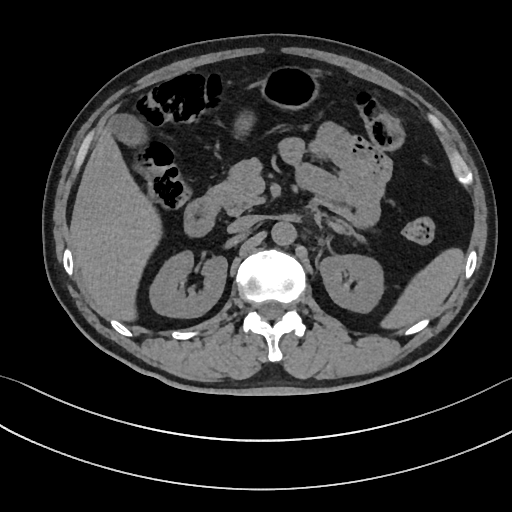 Computed tomography, abdomen · axial view
Bounding boxes as [x1, y1, x2, y2] in pixel coordinates. 10 labeled organs on this slice — spleen at [384, 250, 463, 327]; right kidney at [148, 252, 226, 316]; left kidney at [318, 253, 383, 312]; gall bladder at [109, 116, 142, 141]; liver at [71, 129, 162, 320]; stomach at [238, 68, 316, 131]; aorta at [271, 220, 296, 245]; inferior vena cava at [227, 215, 259, 233]; pancreas at [202, 159, 265, 215]; duodenum at [183, 201, 216, 238].